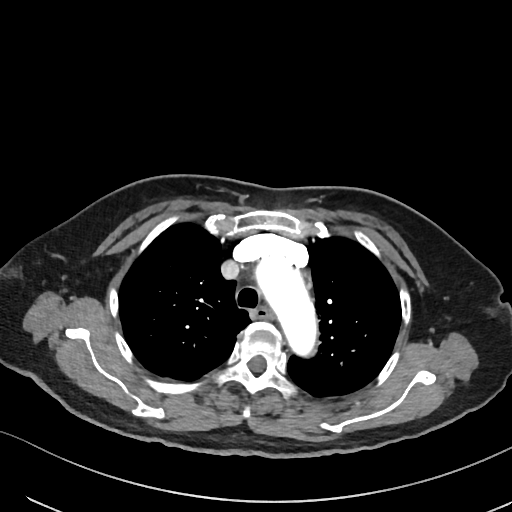
Chest-level slice from an abdominal CT that extends up into the chest; axial view; scan has 15 labeled organs (a whole-scan count: organs this slice does not pass through have no box)
On a slice this high in the chest, this dataset labels only the esophagus and the aorta, and each is boxed only where it is labeled; the heart, lungs and other chest structures are not labeled. Boxes: x1 y1 x2 y2 (pixel coords, space-separated). Labeled organs on this slice: aorta at 253 255 318 359, esophagus at 252 307 272 319.